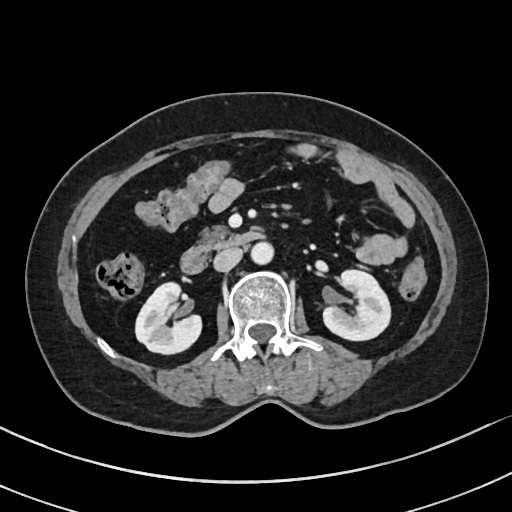 CT, abdomen/pelvis — axial plane, index 144 — acquired on SOMATOM Force — scan has 14 labeled organs (that count is for the whole scan; organs this slice misses have no box)
<organs><organ name="right kidney" x1="135" y1="281" x2="201" y2="353"/><organ name="left kidney" x1="323" y1="269" x2="391" y2="340"/><organ name="aorta" x1="251" y1="241" x2="274" y2="263"/><organ name="inferior vena cava" x1="214" y1="247" x2="243" y2="270"/><organ name="pancreas" x1="204" y1="227" x2="227" y2="245"/><organ name="duodenum" x1="182" y1="230" x2="261" y2="273"/></organs>